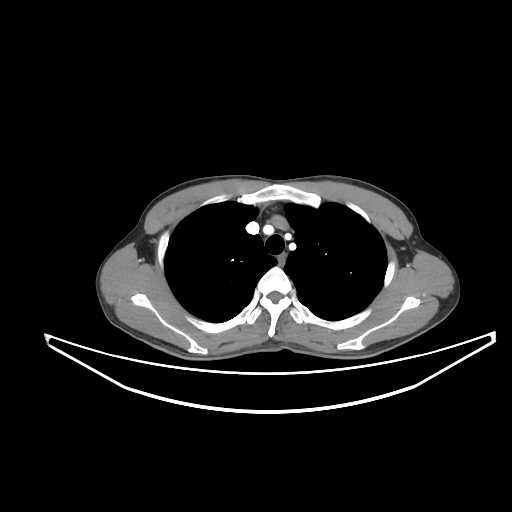
Abdominal CT reaching into the chest; this slice is in the chest. axial view. 512x512 px. 52-year-old male patient
At this level of the chest no structure but the esophagus and the aorta has a label in this dataset, and those two are boxed only where they are labeled.
Boxes are (x1, y1, x2, y2) in pixels.
esophagus: (278, 254, 285, 265)